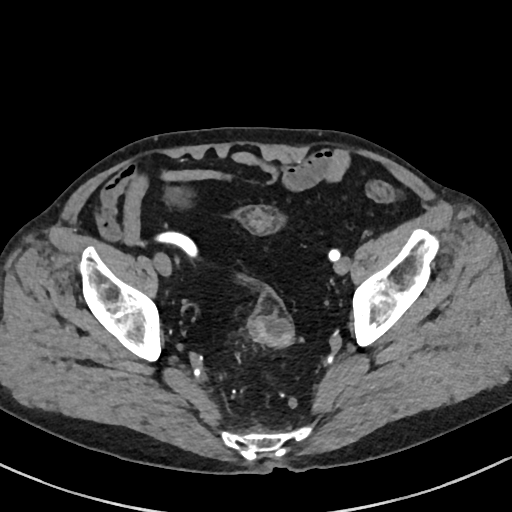 CT abdomen. Axial slice 56/303. soft-tissue window. SOMATOM Force scanner
{"organs":{"bladder":[166,185,178,196]}}